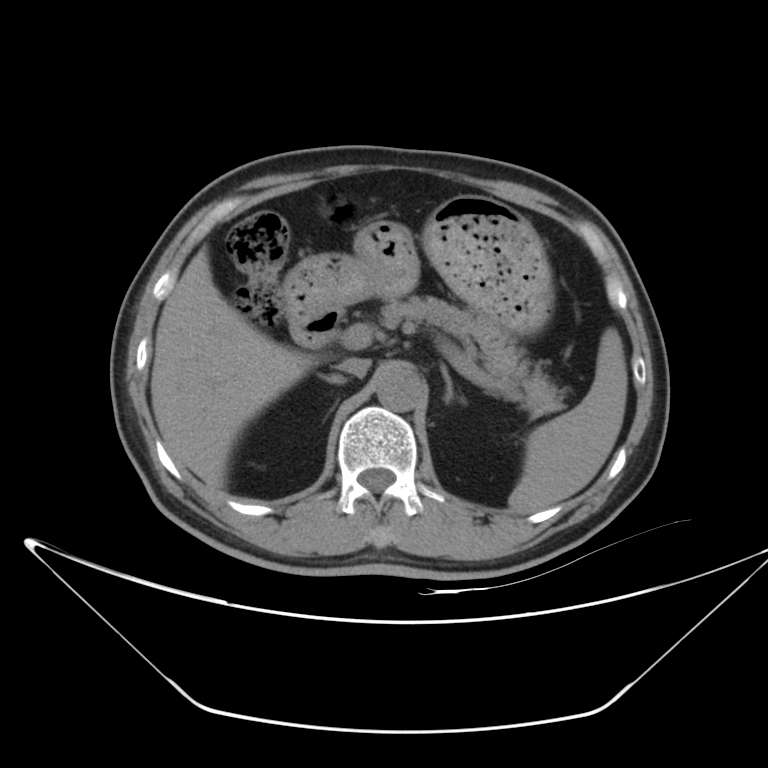
Computed tomography, abdomen. Axial slice 70/93
{"organs":{"stomach":[283,196,553,335],"right adrenal gland":[320,374,348,384],"inferior vena cava":[337,357,370,377],"aorta":[377,367,423,411],"liver":[150,247,318,491],"duodenum":[289,306,342,348],"spleen":[509,327,627,512],"pancreas":[381,296,563,417],"left adrenal gland":[441,366,454,401]}}